Computed tomography, abdomen; Axial slice 131/218
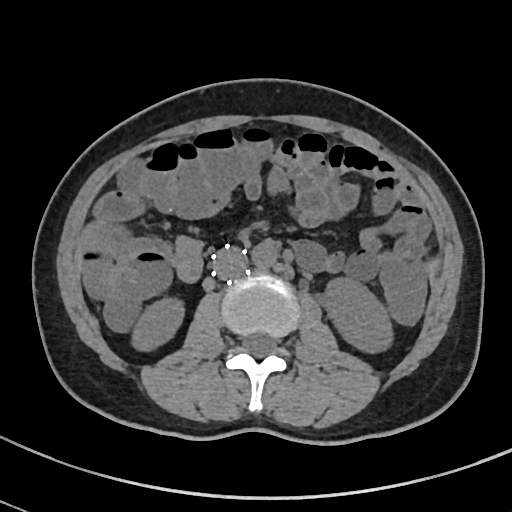

<organs><organ name="right kidney" x1="132" y1="298" x2="185" y2="350"/><organ name="aorta" x1="251" y1="242" x2="277" y2="270"/><organ name="left kidney" x1="322" y1="276" x2="394" y2="352"/><organ name="inferior vena cava" x1="213" y1="248" x2="247" y2="280"/></organs>